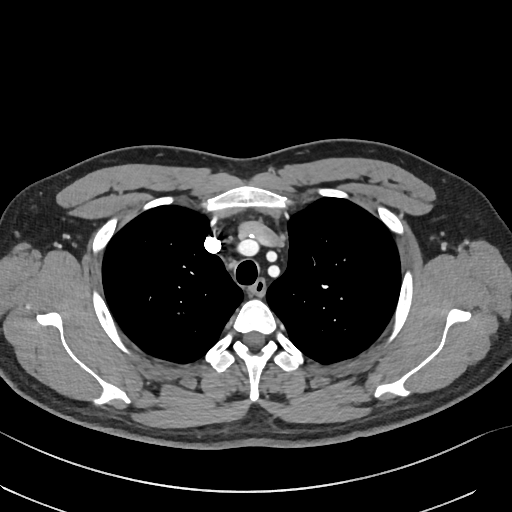

Chest-level slice from an abdominal CT that extends up into the chest · axial view · soft-tissue window (W 400 / L 40)
At this level of the chest this dataset labels only the esophagus and the aorta, and each is boxed only where it is labeled; the heart and lungs are never labeled.
Boxes: x1 y1 x2 y2 (pixel coords, space-separated).
esophagus: 249 279 266 295